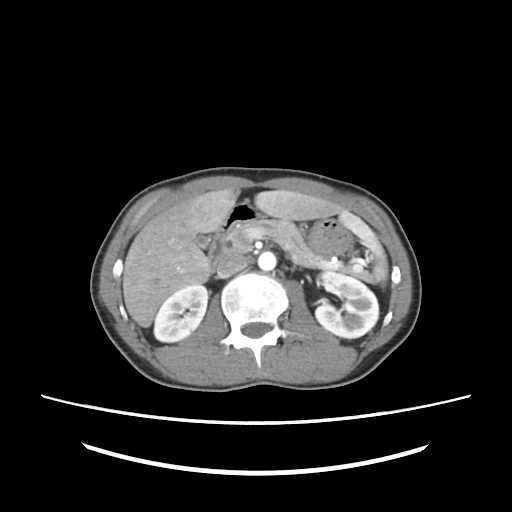

CT, abdomen/pelvis · Axial slice 57/88 · abdomen soft-tissue window · 46-year-old male patient
Boxes: x1:y1:x2:y2 in pixels.
spleen: 339:210:387:282
right kidney: 154:284:207:342
left kidney: 315:271:378:338
gall bladder: 194:234:210:248
liver: 122:188:341:327
stomach: 237:203:352:255
aorta: 258:251:276:270
inferior vena cava: 216:253:248:278
pancreas: 229:219:369:278
duodenum: 208:205:243:272